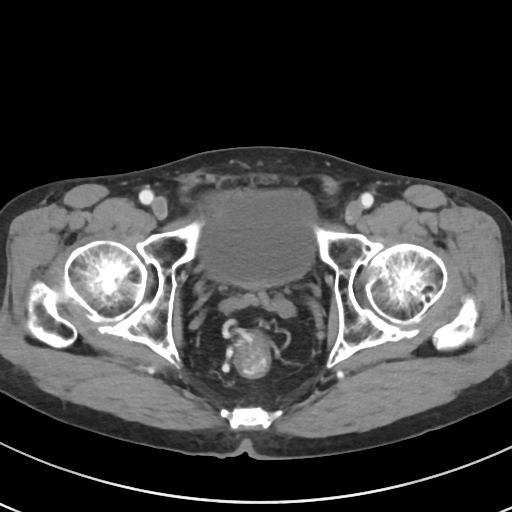 CT, abdomen/pelvis. axial view. 512x512 px
Organ boxes in pixel coordinates; each row gives the top-left (x1, y1) and bottom-right (x2, y2) corners.
| organ | x1 | y1 | x2 | y2 |
|---|---|---|---|---|
| bladder | 200 | 190 | 314 | 287 |